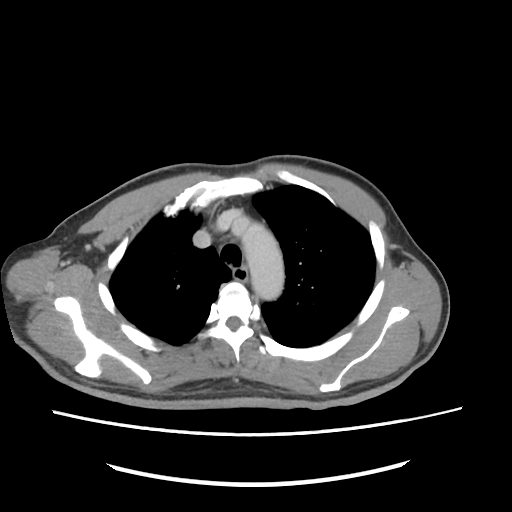
Abdominal CT reaching into the chest; this slice is in the chest. axial plane, index 112. Aquilion ONE scanner
On a slice this high in the chest, this dataset labels only the esophagus and the aorta, and each is boxed only where it is labeled; the heart, lungs and other chest structures are not labeled.
Bounding boxes in pixels, one row per box: x1, y1 is the top-left corner and x2, y2 the bottom-right.
| organ | x1 | y1 | x2 | y2 |
|---|---|---|---|---|
| aorta | 241 | 223 | 284 | 300 |
| esophagus | 233 | 268 | 247 | 281 |